Abdominal CT reaching into the chest; this slice is in the chest · Axial slice 121/134 · soft-tissue window (W 400 / L 40) · 52-year-old male patient
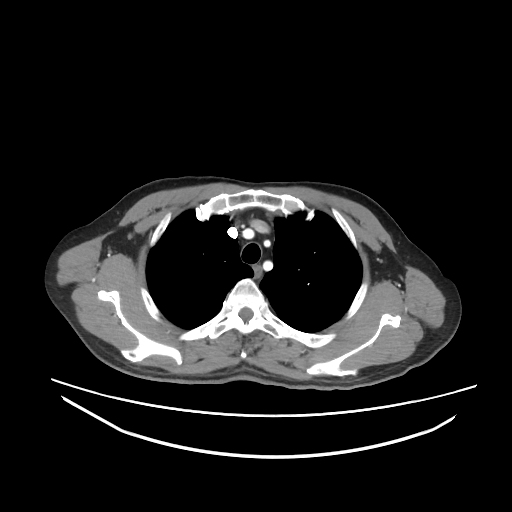 On a slice this high in the chest, this dataset labels only the esophagus and the aorta, and each is boxed only where it is labeled; the heart, lungs and other chest structures are not labeled.
Organ boxes in pixel coordinates; each row gives the top-left (x1, y1) and bottom-right (x2, y2) corners.
| organ | x1 | y1 | x2 | y2 |
|---|---|---|---|---|
| esophagus | 252 | 265 | 261 | 277 |